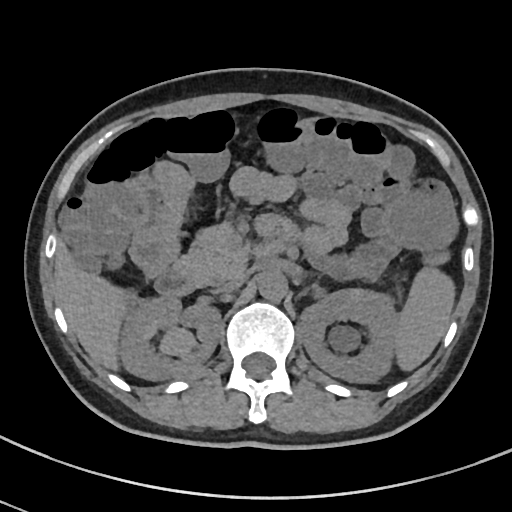

CT, abdomen/pelvis — axial view — 15 organs annotated in this scan (that count is for the whole scan; organs this slice misses have no box)
<organs><organ name="aorta" x1="258" y1="271" x2="287" y2="301"/><organ name="duodenum" x1="155" y1="230" x2="292" y2="296"/><organ name="spleen" x1="395" y1="267" x2="455" y2="370"/><organ name="liver" x1="55" y1="243" x2="132" y2="368"/><organ name="inferior vena cava" x1="216" y1="274" x2="246" y2="292"/><organ name="left kidney" x1="299" y1="288" x2="398" y2="382"/><organ name="pancreas" x1="175" y1="222" x2="247" y2="286"/><organ name="right kidney" x1="118" y1="295" x2="220" y2="380"/></organs>